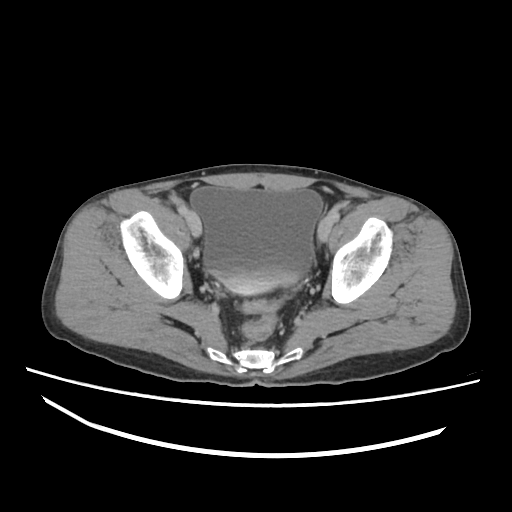
Computed tomography, abdomen · axial view · soft-tissue window (W 400 / L 40) · 40-year-old male patient
Bounding boxes as [x1, y1, x2, y2] in pixel coordinates.
Organ bounding boxes:
- bladder: [190, 187, 322, 293]